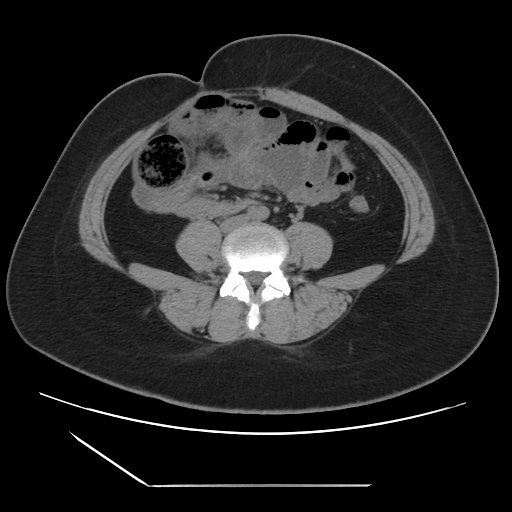
Computed tomography, abdomen · axial view · 512x512 px
<organs><organ name="inferior vena cava" x1="221" y1="214" x2="248" y2="231"/></organs>